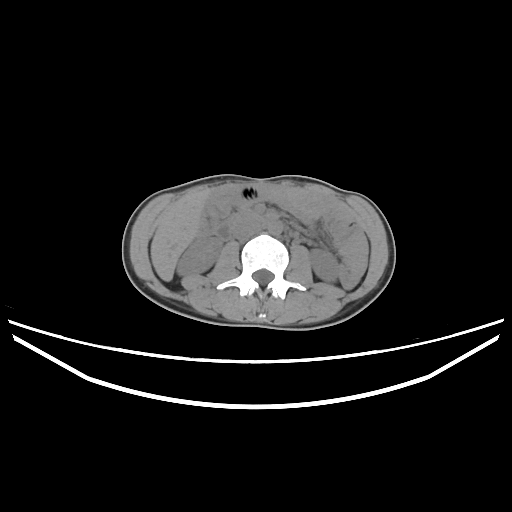
Computed tomography, abdomen; axial plane, index 53; soft-tissue window
{"organs":{"right kidney":[176,236,222,276],"left kidney":[309,249,338,282],"liver":[150,191,208,281],"aorta":[267,221,282,235],"inferior vena cava":[232,223,260,240],"duodenum":[213,212,276,241]}}